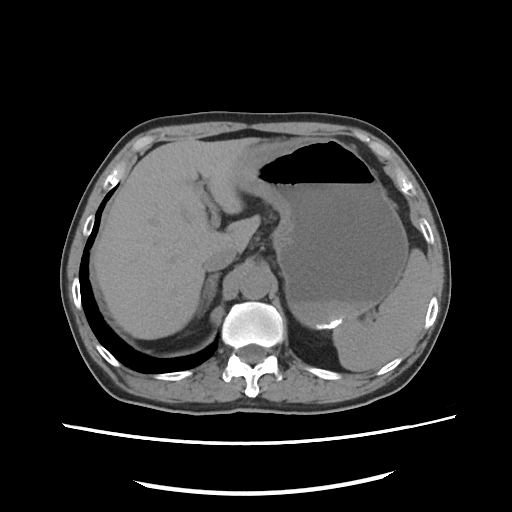

CT, abdomen/pelvis; axial plane, index 65; soft-tissue window; Aquilion ONE scanner
Bounding boxes as [x1, y1, x2, y2] in pixel coordinates.
Organ bounding boxes:
- right adrenal gland: [202, 273, 219, 301]
- liver: [91, 137, 259, 339]
- aorta: [239, 267, 271, 299]
- spleen: [332, 248, 431, 371]
- inferior vena cava: [203, 245, 236, 271]
- stomach: [234, 138, 408, 327]